CT abdomen — axial view — abdomen soft-tissue window — 512x512 px — scan has 15 labeled organs (counted over the whole 3D scan, not this slice; an organ is boxed only where this slice passes through it)
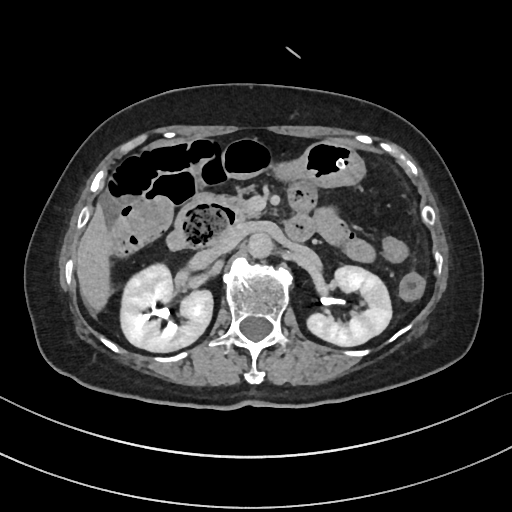 {"organs":{"duodenum":[166,202,313,250],"right kidney":[120,264,213,352],"aorta":[248,233,274,258],"liver":[76,204,111,311],"stomach":[273,140,365,187],"pancreas":[190,192,258,222],"inferior vena cava":[210,228,244,256],"left kidney":[307,266,391,346]}}